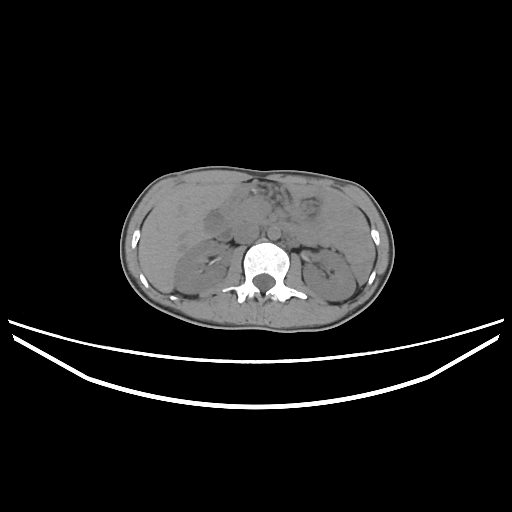

CT, abdomen/pelvis; axial view; W/L 400/40 HU; 15 organs annotated in this scan (counted over the whole 3D scan, not this slice; an organ is boxed only where this slice passes through it)
Bounding boxes in pixels, one row per box: x1, y1 is the top-left corner and x2, y2 the bottom-right.
| organ | x1 | y1 | x2 | y2 |
|---|---|---|---|---|
| gall bladder | 204 | 210 | 224 | 234 |
| right kidney | 174 | 240 | 226 | 293 |
| duodenum | 214 | 214 | 234 | 241 |
| pancreas | 232 | 198 | 264 | 224 |
| liver | 138 | 182 | 234 | 292 |
| aorta | 267 | 226 | 280 | 239 |
| inferior vena cava | 233 | 223 | 259 | 243 |
| left kidney | 303 | 250 | 355 | 300 |